Computed tomography, abdomen · axial view · soft-tissue window (W 400 / L 40) · 512x512 px · 58-year-old female patient · 15 organs annotated in this scan (that count is for the whole scan; organs this slice misses have no box)
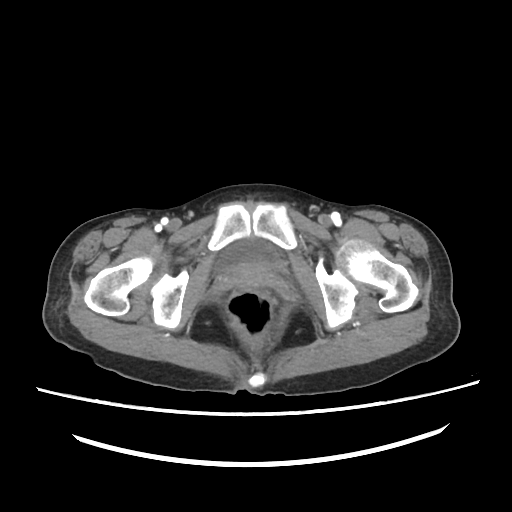

<organs><organ name="bladder" x1="216" y1="239" x2="280" y2="269"/></organs>